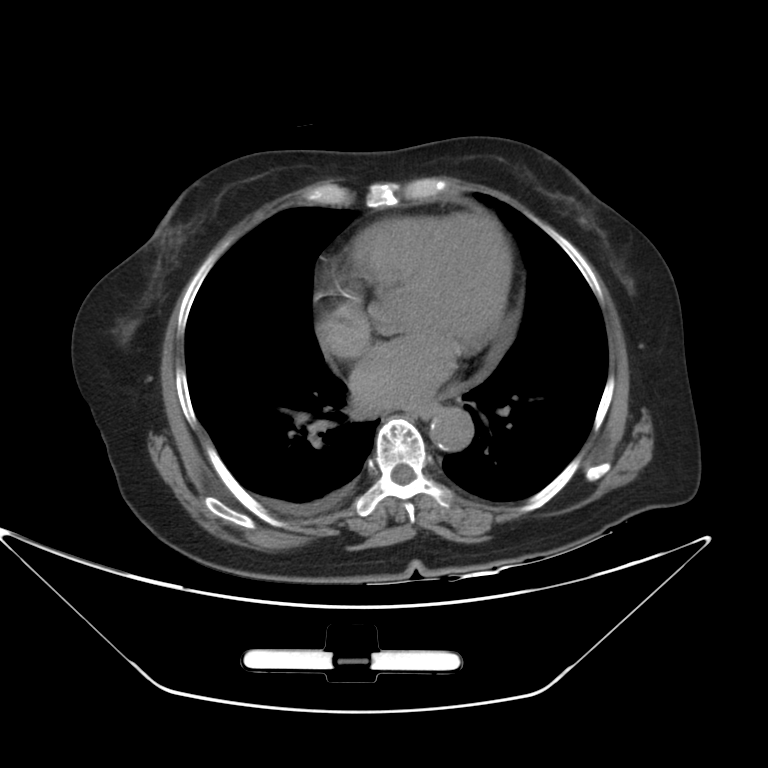

CT of the abdomen reaching into the lower chest, slice just above the liver and spleen; Axial slice 93/97; soft-tissue window, W/L 400/40
The heart and lungs are never labeled in this dataset, so they have no box on this slice.
<organs><organ name="esophagus" x1="415" y1="403" x2="437" y2="418"/><organ name="aorta" x1="430" y1="407" x2="473" y2="452"/></organs>